Abdominal CT · Axial slice 276/353 · 512x512 px
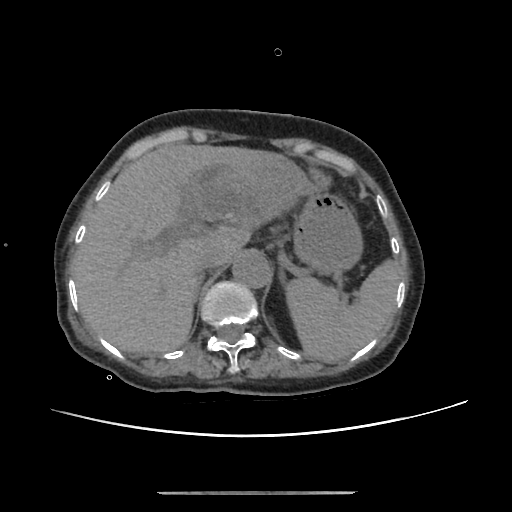 {"organs":{"spleen":[287,258,400,362],"liver":[71,144,315,353],"stomach":[293,190,361,273],"aorta":[232,252,270,287],"inferior vena cava":[195,251,219,278]}}